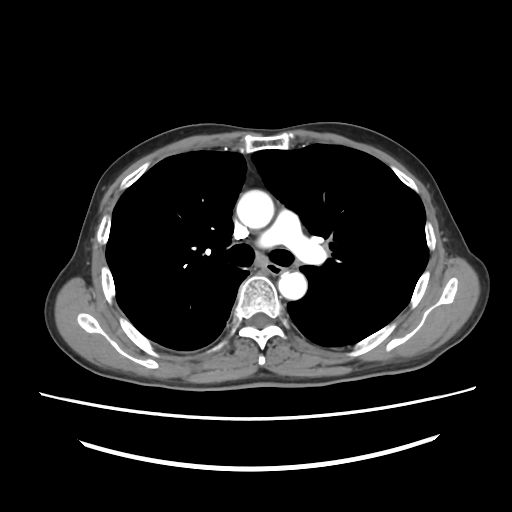

Chest-level slice from an abdominal CT that extends up into the chest — axial view — soft-tissue window (W 400 / L 40) — 65-year-old male patient
At this level of the chest no structure but the esophagus and the aorta has a label in this dataset, and those two are boxed only where they are labeled.
Boxes are (x1, y1, x2, y2) in pixels.
Organ bounding boxes:
- esophagus: (265, 264, 283, 274)
- aorta: (236, 190, 274, 228)
- aorta: (278, 272, 306, 299)